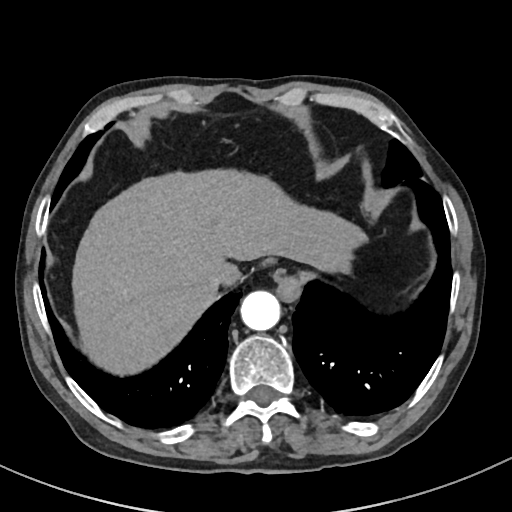
Abdominal CT · axial view · soft-tissue window (W 400 / L 40) · scan has 15 labeled organs (counted over the whole 3D scan, not this slice; an organ is boxed only where this slice passes through it)
<organs><organ name="inferior vena cava" x1="209" y1="269" x2="227" y2="289"/><organ name="esophagus" x1="274" y1="270" x2="309" y2="302"/><organ name="liver" x1="71" y1="169" x2="366" y2="375"/><organ name="aorta" x1="241" y1="290" x2="280" y2="330"/></organs>